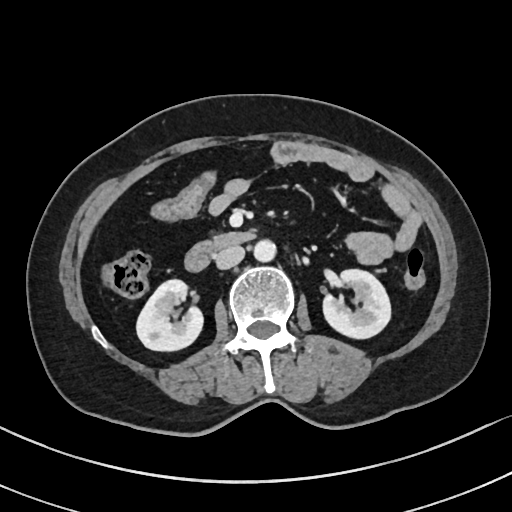
Computed tomography, abdomen · axial plane, index 140
One row per box, in pixels: columns x1 and y1 give the top-left corner, x2 and y2 the bottom-right.
| organ | x1 | y1 | x2 | y2 |
|---|---|---|---|---|
| duodenum | 184 | 231 | 255 | 271 |
| inferior vena cava | 215 | 246 | 244 | 269 |
| left kidney | 323 | 269 | 390 | 338 |
| right kidney | 136 | 279 | 203 | 351 |
| aorta | 253 | 240 | 276 | 262 |